CT, abdomen/pelvis · axial view
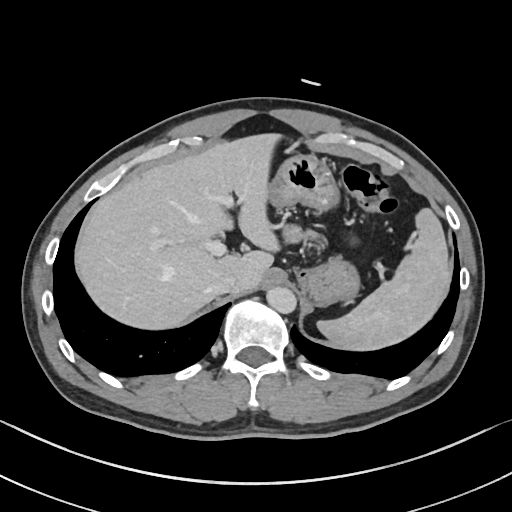
Boxes are (x1, y1, x2, y2) in pixels. 6 labeled organs on this slice — inferior vena cava at (208, 274, 237, 295); stomach at (268, 154, 359, 306); liver at (75, 133, 279, 329); spleen at (317, 208, 451, 350); aorta at (266, 287, 296, 313); pancreas at (283, 226, 317, 242).